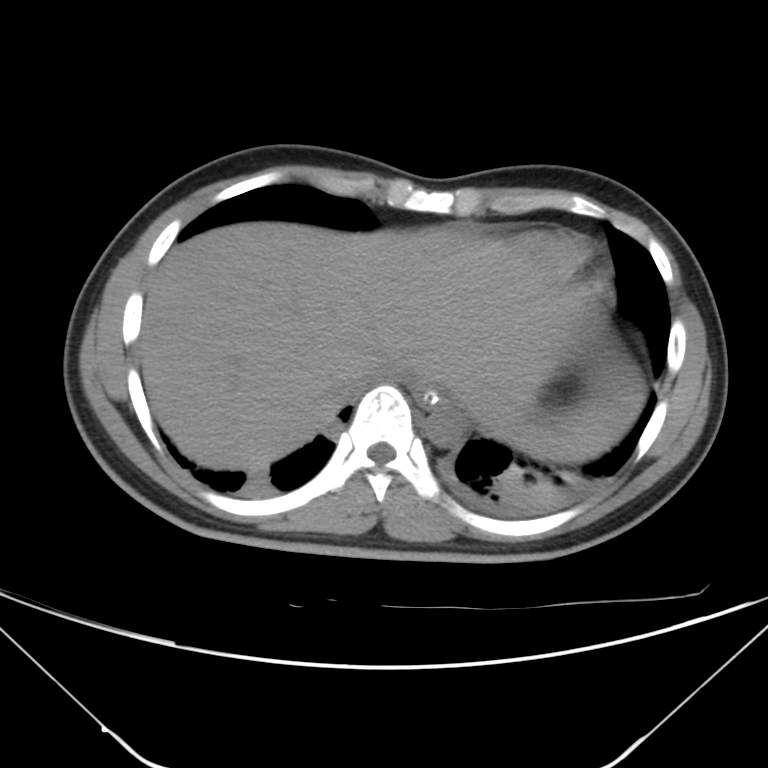
CT, abdomen/pelvis — axial view — 24-year-old male patient
Each box given as x1,y1,x2,y2.
Organ bounding boxes:
- inferior vena cava: x1=364, y1=358, x2=407, y2=383
- aorta: x1=425, y1=405, x2=464, y2=448
- spleen: x1=537, y1=438, x2=603, y2=463
- esophagus: x1=413, y1=385, x2=442, y2=406
- liver: x1=140, y1=221, x2=645, y2=471